Lower-chest slice from an abdominal CT, just above the liver and spleen. axial plane, index 205
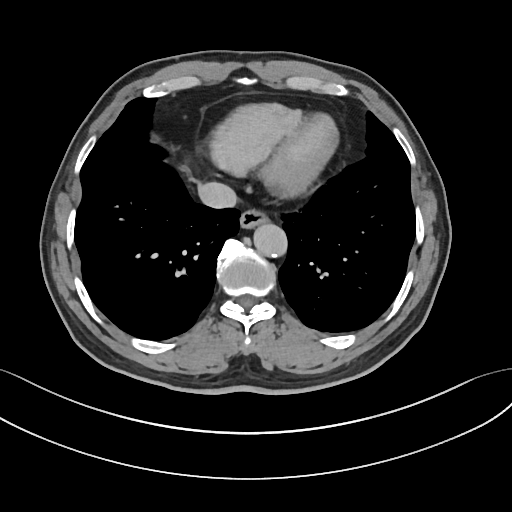
Of the structures in the chest, this dataset labels only the esophagus, the aorta and the inferior vena cava; the heart and lungs have no label.
Boxes are (x1, y1, x2, y2) in pixels.
esophagus: (239, 208, 268, 228)
aorta: (253, 223, 287, 256)
inferior vena cava: (198, 182, 236, 208)